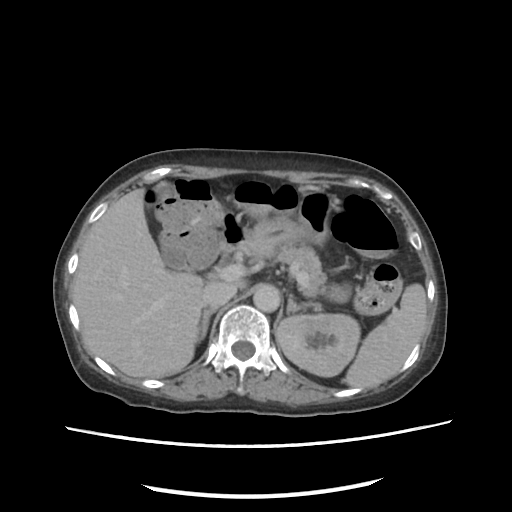 CT, abdomen/pelvis; axial view
<organs><organ name="gall bladder" x1="154" y1="181" x2="187" y2="269"/><organ name="aorta" x1="253" y1="284" x2="280" y2="312"/><organ name="spleen" x1="344" y1="283" x2="426" y2="387"/><organ name="liver" x1="72" y1="189" x2="244" y2="377"/><organ name="left kidney" x1="277" y1="314" x2="360" y2="376"/><organ name="pancreas" x1="239" y1="240" x2="326" y2="297"/><organ name="duodenum" x1="207" y1="217" x2="244" y2="279"/><organ name="stomach" x1="244" y1="187" x2="336" y2="243"/><organ name="inferior vena cava" x1="202" y1="282" x2="236" y2="307"/><organ name="right adrenal gland" x1="198" y1="308" x2="217" y2="340"/><organ name="left adrenal gland" x1="287" y1="295" x2="307" y2="314"/></organs>